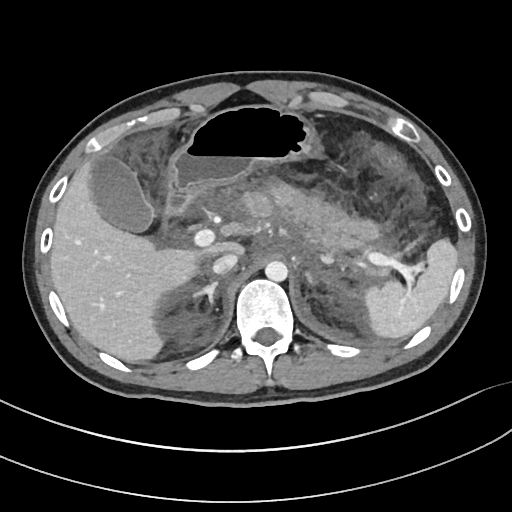 CT abdomen; axial plane, index 181; abdomen soft-tissue window
Each box given as x1,y1,x2,y2. The annotated organs in this slice are: spleen at x1=364, y1=239, x2=458, y2=338, gall bladder at x1=90, y1=154, x2=154, y2=231, liver at x1=50, y1=160, x2=243, y2=362, stomach at x1=167, y1=104, x2=320, y2=199, aorta at x1=265, y1=261, x2=288, y2=281, inferior vena cava at x1=212, y1=253, x2=238, y2=274, pancreas at x1=241, y1=184, x2=377, y2=247, right adrenal gland at x1=193, y1=280, x2=218, y2=304, left adrenal gland at x1=303, y1=269, x2=314, y2=283, duodenum at x1=165, y1=194, x2=190, y2=216.